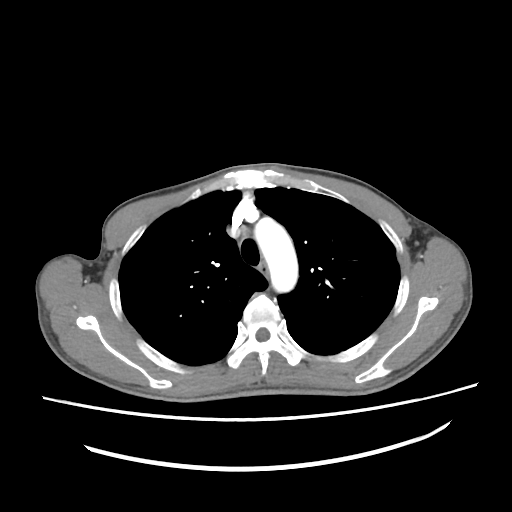 Chest-level CT slice, above the liver and spleen; axial view; W/L 400/40 HU; 512x512 px
At this level of the chest no structure but the esophagus and the aorta has a label in this dataset, and those two are boxed only where they are labeled.
Each box given as x1,y1,x2,y2.
esophagus: x1=258, y1=261, x2=269, y2=275
aorta: x1=254, y1=217, x2=298, y2=292